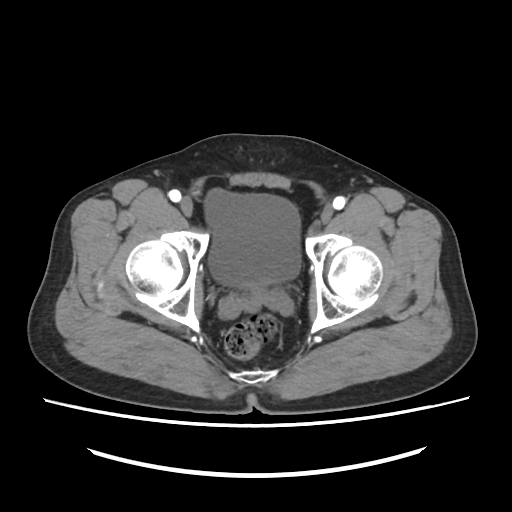 Computed tomography, abdomen; axial view; soft-tissue window (W 400 / L 40); 46-year-old male patient; acquired on Aquilion ONE; scan has 15 labeled organs (a whole-scan count: organs this slice does not pass through have no box)
{"organs":{"bladder":[204,189,301,286]}}